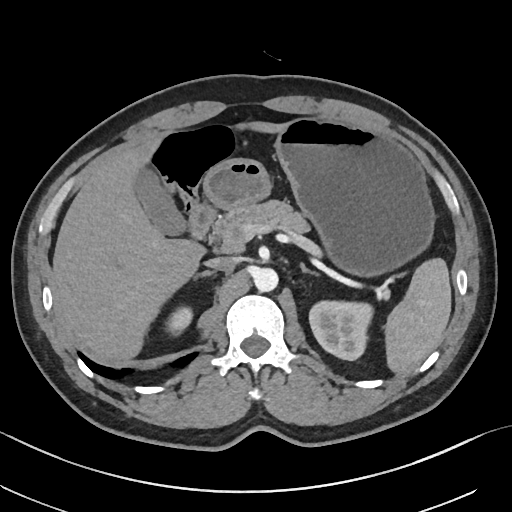
CT abdomen. axial view. acquired on SOMATOM Force
Boxes are (x1, y1, x2, y2) in pixels. The annotated organs in this slice are: spleen at (384, 259, 451, 374), right kidney at (168, 308, 190, 333), left kidney at (310, 300, 372, 359), gall bladder at (136, 169, 188, 234), liver at (52, 121, 291, 361), stomach at (203, 118, 435, 274), aorta at (253, 268, 278, 292), inferior vena cava at (205, 257, 236, 270), pancreas at (211, 200, 306, 252), right adrenal gland at (195, 270, 215, 277), left adrenal gland at (299, 264, 318, 276), duodenum at (188, 200, 217, 238).